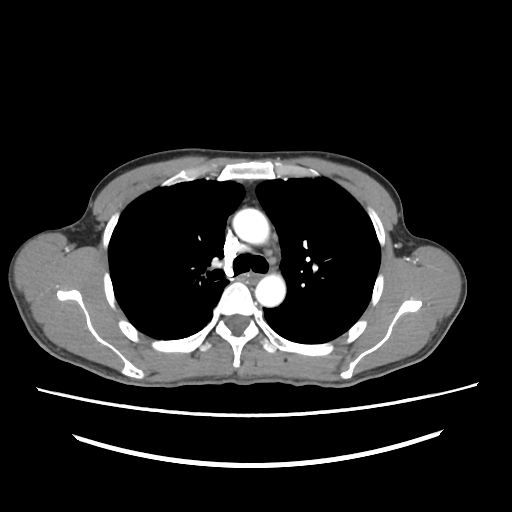
CT of the abdomen extending into the chest, slice through the chest; axial view; soft-tissue window; 51-year-old male patient
At this level of the chest this dataset labels only the esophagus and the aorta, and each is boxed only where it is labeled; the heart and lungs are never labeled.
Boxes: x1 y1 x2 y2 (pixel coords, space-separated).
Organ bounding boxes:
- aorta: 232 207 270 244
- aorta: 254 273 286 307